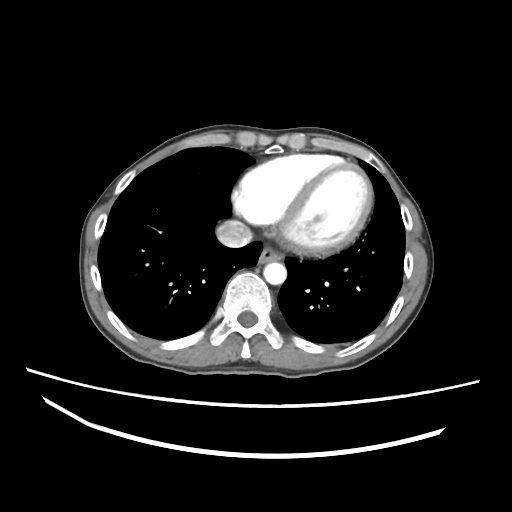 Abdominal CT; this slice is in the lower chest, just above the liver. axial view. acquired on Aquilion ONE. 15 organs annotated in this scan (a whole-scan count: organs this slice does not pass through have no box)
The heart and lungs are never labeled in this dataset, so they have no box on this slice.
{"organs":{"aorta":[263,262,286,284],"esophagus":[258,245,282,263],"inferior vena cava":[216,220,252,248]}}